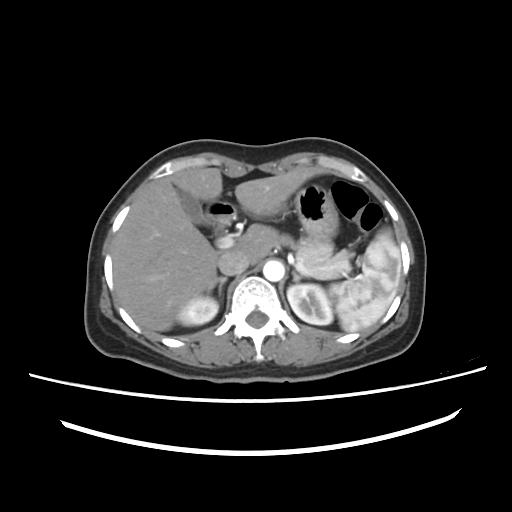

Computed tomography, abdomen. axial plane, index 74. 512x512 px. 45-year-old female patient
{"organs":{"liver":[113,166,319,331],"pancreas":[280,235,353,279],"inferior vena cava":[218,251,249,275],"left adrenal gland":[292,271,309,281],"gall bladder":[178,190,205,224],"right kidney":[176,296,217,325],"spleen":[330,230,399,332],"left kidney":[287,284,332,325],"right adrenal gland":[206,277,227,299],"aorta":[263,260,284,281],"duodenum":[205,201,236,227],"stomach":[274,183,338,240]}}